CT, abdomen/pelvis. axial view. 56-year-old female patient. Brilliance16 scanner
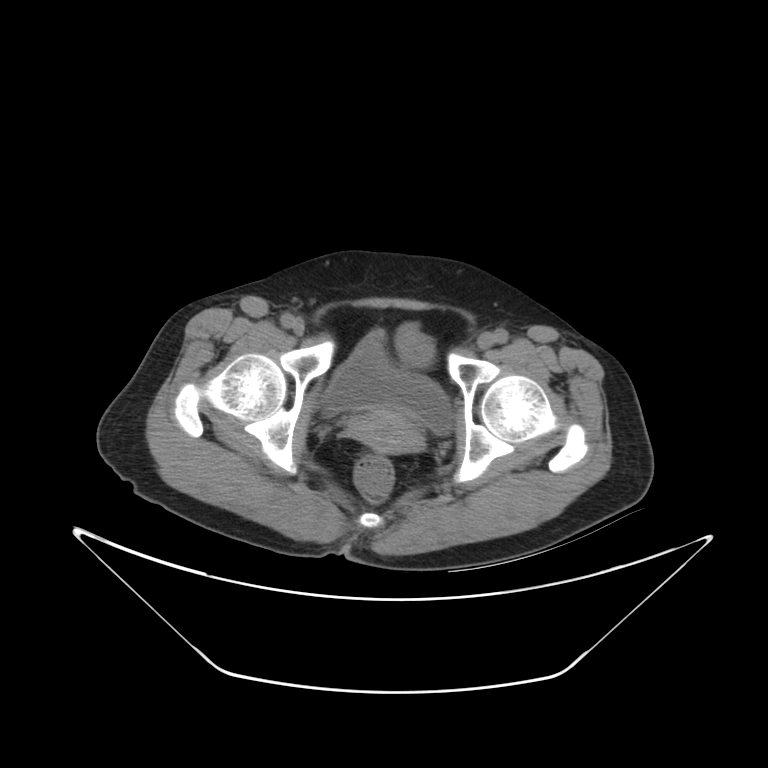
{"organs":{"bladder":[321,326,451,433],"prostate/uterus":[351,406,416,453]}}